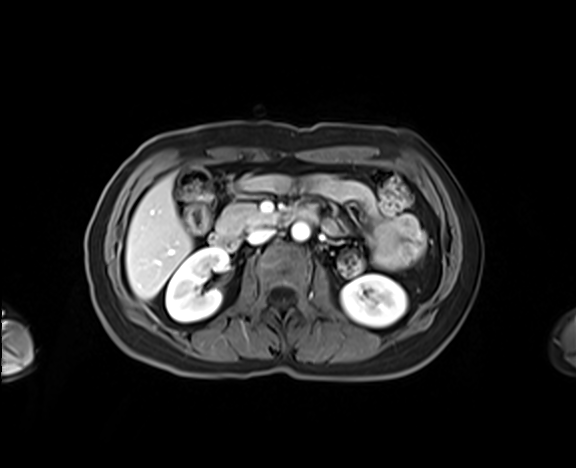 Abdominal MR — axial plane, index 24 — 576x468 px — scan has 13 labeled organs (that count is for the whole scan; organs this slice misses have no box)
Boxes are (x1, y1, x2, y2) in pixels.
right kidney: (165, 247, 228, 321)
left kidney: (341, 274, 407, 327)
liver: (125, 176, 192, 299)
aorta: (291, 222, 310, 240)
inferior vena cava: (247, 228, 274, 244)
pancreas: (217, 204, 272, 235)
duodenum: (210, 205, 317, 250)